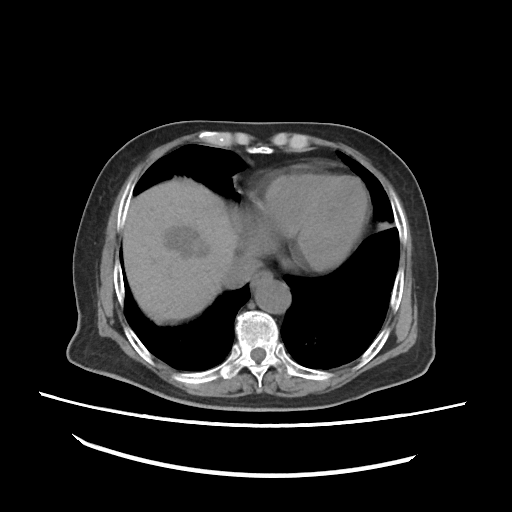

Computed tomography, abdomen — axial view — abdomen soft-tissue window — 512x512 px — 15 organs annotated in this scan (that count is for the whole scan; organs this slice misses have no box)
Coordinates as <box>x1,y1,x2,y2</box> in pixels.
liver: <box>122,179,240,323</box>
esophagus: <box>251,271,272,291</box>
aorta: <box>255,280,290,314</box>
inferior vena cava: <box>220,255,257,287</box>